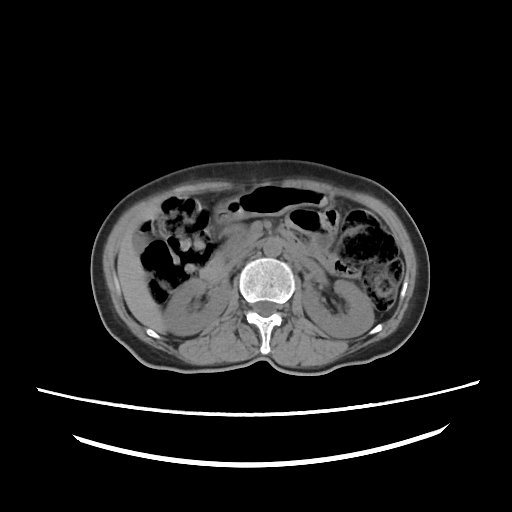

CT, abdomen/pelvis. axial plane, index 54. soft-tissue window (W 400 / L 40). 15 organs annotated in this scan (a whole-scan count: organs this slice does not pass through have no box)
<organs><organ name="stomach" x1="214" y1="186" x2="325" y2="223"/><organ name="pancreas" x1="222" y1="234" x2="251" y2="253"/><organ name="duodenum" x1="200" y1="248" x2="232" y2="278"/><organ name="aorta" x1="263" y1="238" x2="282" y2="256"/><organ name="liver" x1="117" y1="204" x2="166" y2="333"/><organ name="left kidney" x1="302" y1="280" x2="374" y2="338"/><organ name="inferior vena cava" x1="226" y1="246" x2="252" y2="269"/><organ name="gall bladder" x1="133" y1="232" x2="146" y2="250"/><organ name="right kidney" x1="163" y1="278" x2="230" y2="335"/></organs>